Lower-chest slice from an abdominal CT, just above the liver and spleen; Axial slice 221/306; 512x512 px; 15 organs annotated in this scan (a whole-scan count: organs this slice does not pass through have no box)
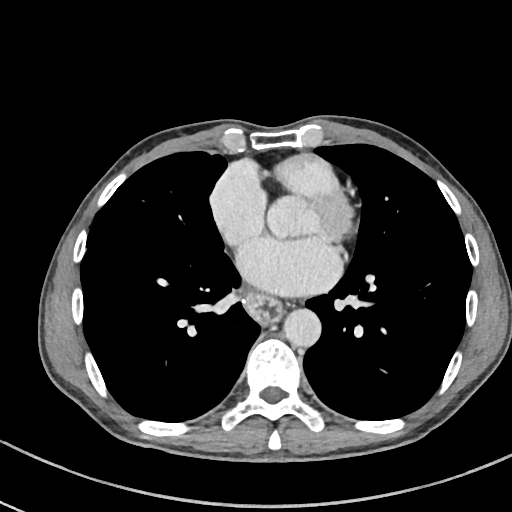
The heart and lungs are never labeled in this dataset, so they have no box on this slice.
Each box given as x1,y1,x2,y2.
esophagus: x1=245, y1=291, x2=281, y2=325
aorta: x1=283, y1=308, x2=320, y2=346